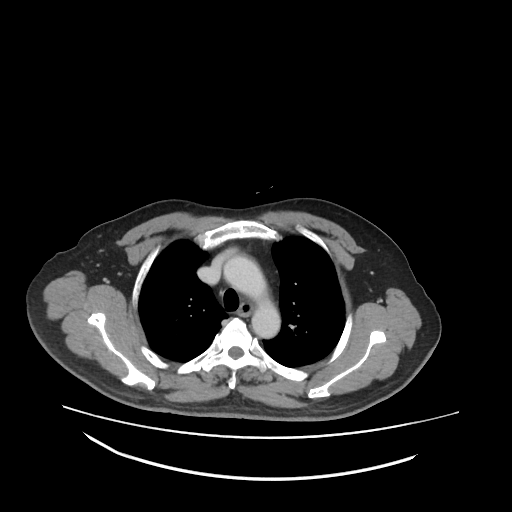
Chest-level CT slice, above the liver and spleen; axial view
At this level of the chest this dataset labels only the esophagus and the aorta, and each is boxed only where it is labeled; the heart and lungs are never labeled.
One row per box, in pixels: columns x1 and y1 give the top-left corner, x2 and y2 the bottom-right.
| organ | x1 | y1 | x2 | y2 |
|---|---|---|---|---|
| esophagus | 235 | 303 | 252 | 316 |
| aorta | 226 | 257 | 279 | 337 |